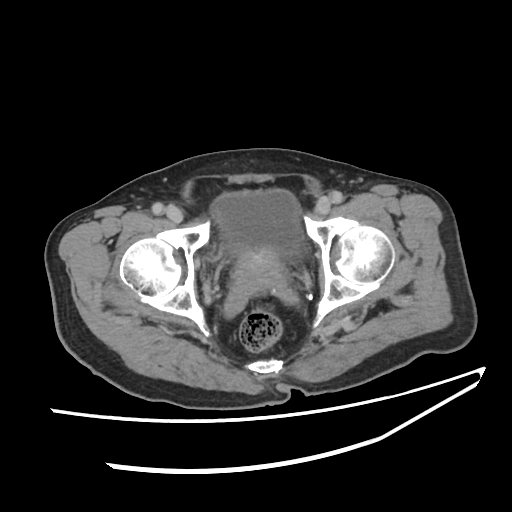 Abdominal CT · axial view · W/L 400/40 HU · 512x512 px
{"organs":{"bladder":[211,190,307,260],"prostate/uterus":[228,251,285,296]}}